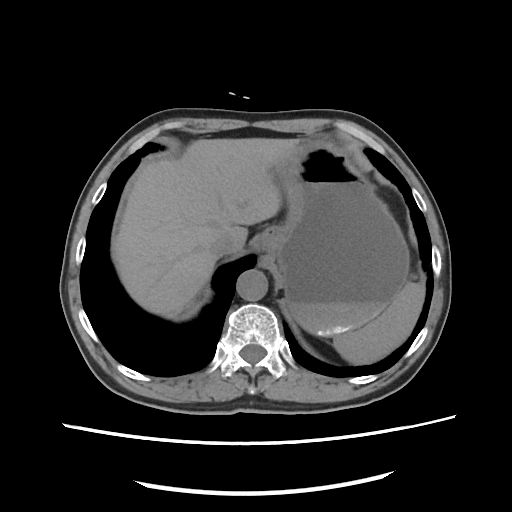
CT, abdomen/pelvis · axial view · W/L 400/40 HU · 512x512 px · 68-year-old male patient
Bounding boxes in pixels, one row per box: x1, y1 is the top-left corner and x2, y2 the bottom-right.
| organ | x1 | y1 | x2 | y2 |
|---|---|---|---|---|
| inferior vena cava | 210 | 234 | 233 | 259 |
| aorta | 236 | 269 | 267 | 301 |
| liver | 112 | 138 | 296 | 319 |
| stomach | 257 | 143 | 409 | 336 |
| spleen | 333 | 282 | 425 | 364 |